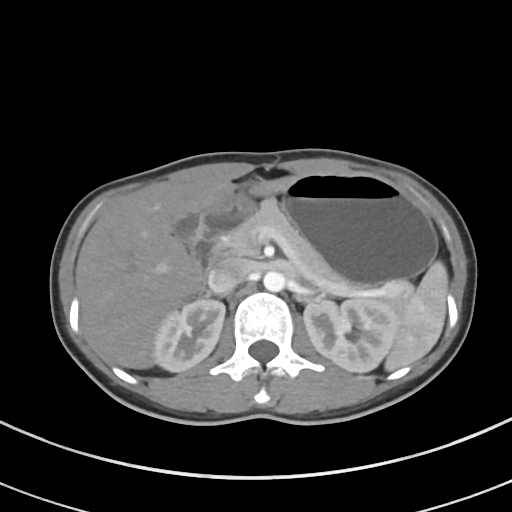
Computed tomography, abdomen. axial view
{"organs":{"spleen":[385,261,448,371],"right kidney":[153,299,225,371],"left kidney":[303,297,400,372],"gall bladder":[173,214,199,247],"liver":[75,175,297,369],"stomach":[217,173,436,286],"aorta":[263,271,285,292],"inferior vena cava":[207,257,249,294],"pancreas":[220,198,413,308],"right adrenal gland":[204,291,210,296],"duodenum":[189,207,238,271]}}